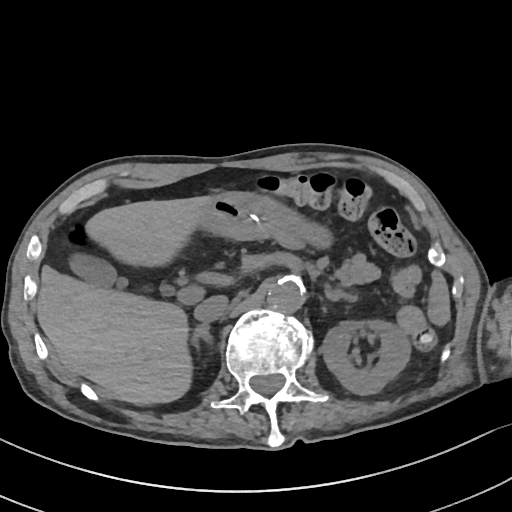

Abdominal CT; axial plane, index 147; abdomen soft-tissue window
One row per box, in pixels: columns x1 and y1 give the top-left corner, x2 and y2 the bottom-right.
| organ | x1 | y1 | x2 | y2 |
|---|---|---|---|---|
| spleen | 428 | 271 | 450 | 324 |
| left kidney | 323 | 320 | 411 | 394 |
| gall bladder | 73 | 256 | 126 | 288 |
| liver | 36 | 197 | 204 | 404 |
| stomach | 189 | 191 | 332 | 246 |
| aorta | 267 | 277 | 305 | 312 |
| inferior vena cava | 195 | 295 | 229 | 322 |
| pancreas | 342 | 253 | 378 | 282 |
| right adrenal gland | 191 | 323 | 209 | 343 |
| left adrenal gland | 326 | 285 | 353 | 299 |
| duodenum | 136 | 283 | 155 | 295 |